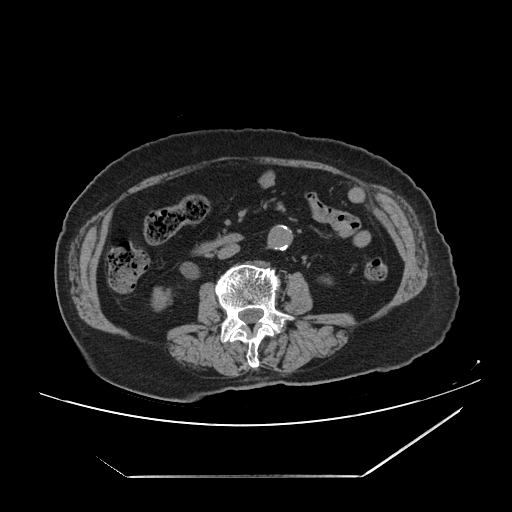

CT abdomen · axial plane, index 94
Organ boxes in pixel coordinates; each row gives the top-left (x1, y1) and bottom-right (x2, y2) corners.
| organ | x1 | y1 | x2 | y2 |
|---|---|---|---|---|
| right kidney | 151 | 287 | 171 | 310 |
| left kidney | 322 | 277 | 330 | 283 |
| aorta | 267 | 225 | 292 | 250 |
| inferior vena cava | 217 | 244 | 239 | 258 |
| duodenum | 197 | 233 | 242 | 254 |